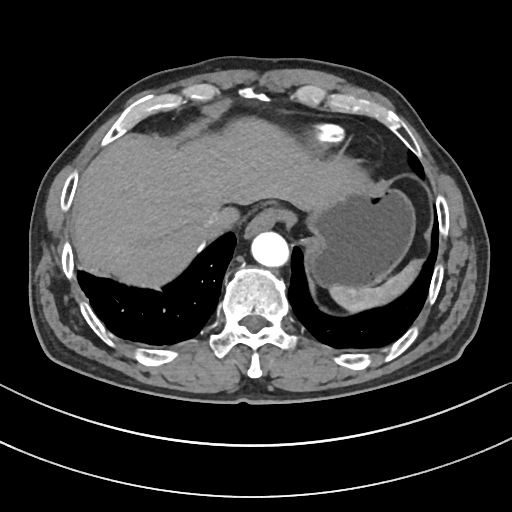

Abdominal CT · axial view · soft-tissue window (W 400 / L 40) · acquired on SOMATOM Force
One row per box, in pixels: columns x1 and y1 give the top-left corner, x2 and y2 the bottom-right.
| organ | x1 | y1 | x2 | y2 |
|---|---|---|---|---|
| spleen | 329 | 260 | 419 | 312 |
| esophagus | 244 | 208 | 287 | 238 |
| liver | 72 | 116 | 370 | 287 |
| stomach | 306 | 187 | 415 | 287 |
| aorta | 251 | 232 | 288 | 266 |
| inferior vena cava | 199 | 209 | 222 | 230 |